Abdominal CT — axial view — 512x512 px
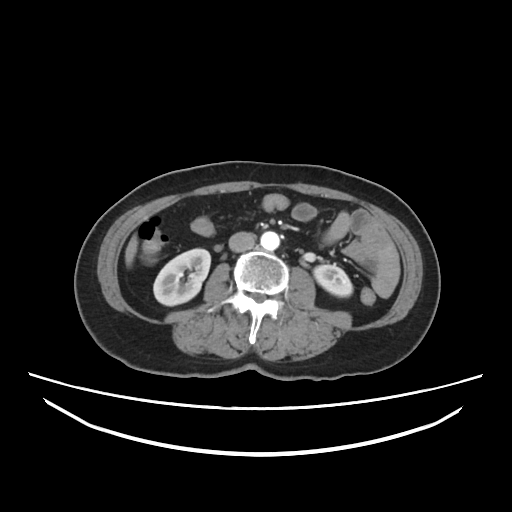
Box edges are left/top/right/bottom in pixels.
Organ bounding boxes:
- right kidney: left=153, top=248, right=210, bottom=305
- left kidney: left=314, top=264, right=352, bottom=296
- liver: left=124, top=234, right=138, bottom=267
- aorta: left=260, top=231, right=280, bottom=251
- inferior vena cava: left=229, top=231, right=256, bottom=253